Lower-chest slice from an abdominal CT, just above the liver and spleen · axial plane, index 92 · soft-tissue window · 64-year-old male patient
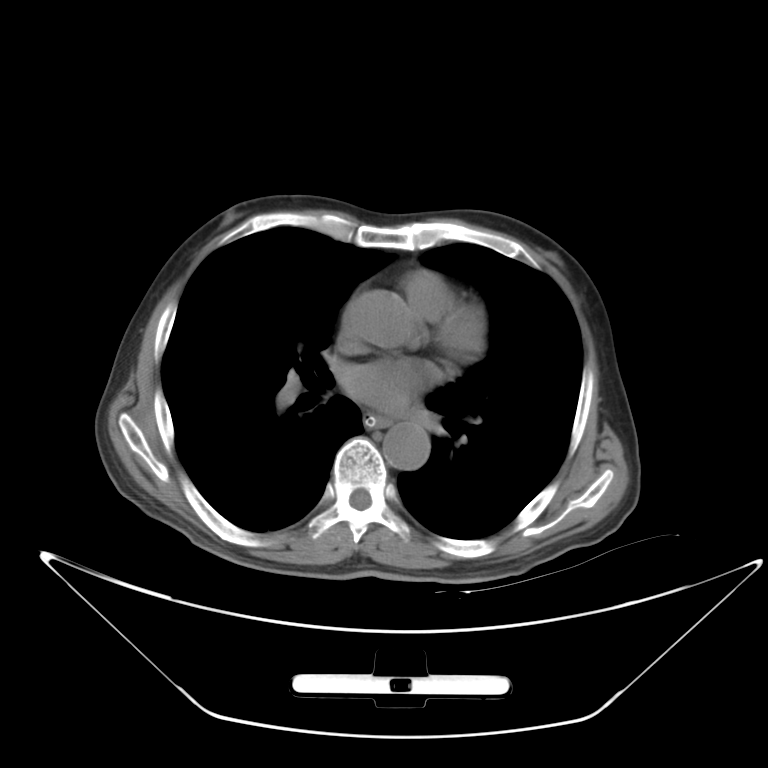 Of the structures in the chest, this dataset labels only the esophagus, the aorta and the inferior vena cava; the heart and lungs have no label.
<organs><organ name="esophagus" x1="366" y1="416" x2="389" y2="428"/><organ name="aorta" x1="382" y1="424" x2="430" y2="470"/></organs>